Lower-chest slice from an abdominal CT, just above the liver and spleen. axial view. 15 organs annotated in this scan (counted over the whole 3D scan, not this slice; an organ is boxed only where this slice passes through it)
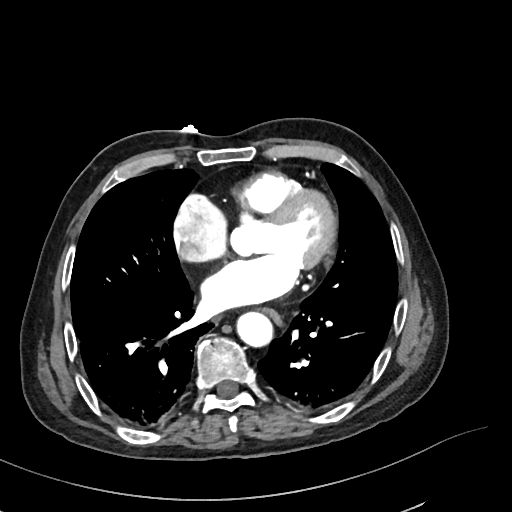 The heart and lungs are never labeled in this dataset, so they have no box on this slice. Bounding boxes as [x1, y1, x2, y2] in pixel coordinates. The annotated organs in this slice are: esophagus at [262, 309, 282, 326], aorta at [237, 312, 273, 347].